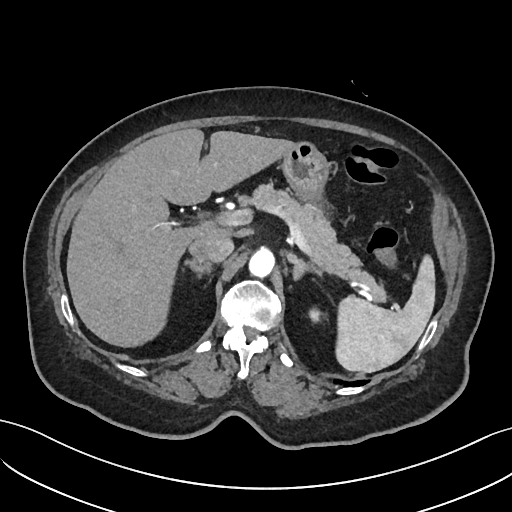 CT, abdomen/pelvis · Axial slice 145/276
{"organs":{"spleen":[335,255,435,372],"left kidney":[309,307,322,322],"liver":[66,128,293,347],"stomach":[281,140,328,203],"aorta":[249,248,274,277],"inferior vena cava":[189,234,233,262],"pancreas":[248,183,386,302],"right adrenal gland":[185,261,209,273],"left adrenal gland":[286,252,320,279]}}